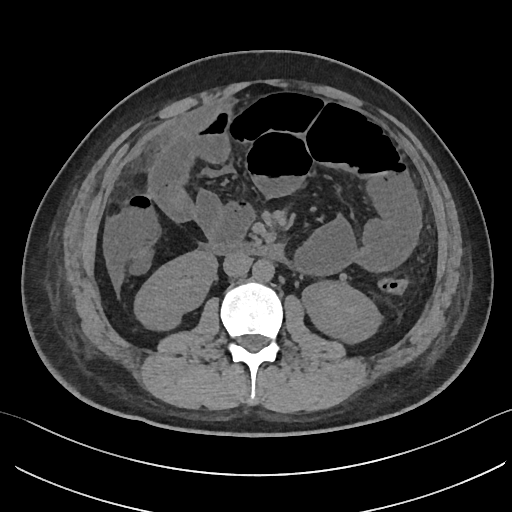

CT abdomen. axial view
Bounding boxes in pixels, one row per box: x1, y1 is the top-left corner and x2, y2 the bottom-right.
| organ | x1 | y1 | x2 | y2 |
|---|---|---|---|---|
| inferior vena cava | 223 | 253 | 251 | 276 |
| duodenum | 209 | 241 | 284 | 260 |
| aorta | 252 | 259 | 274 | 281 |
| left kidney | 302 | 280 | 381 | 343 |
| right kidney | 134 | 250 | 217 | 330 |